Magnetic resonance imaging, abdomen. Axial slice 31/72. 1st–99th percentile window. 576x468 px. Prisma scanner
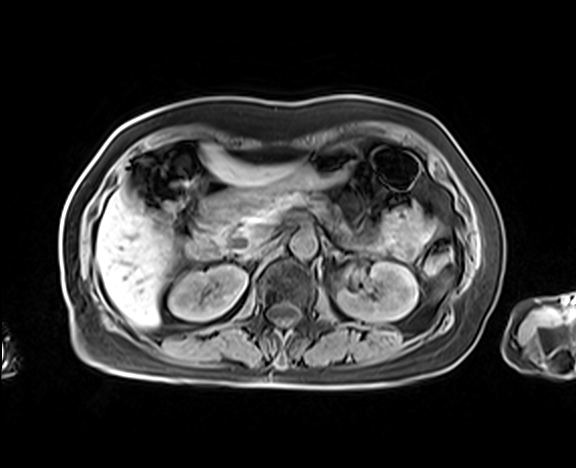
{"organs":{"right kidney":[168,265,247,320],"pancreas":[229,189,349,237],"inferior vena cava":[244,240,275,257],"left kidney":[336,262,418,321],"duodenum":[187,196,235,260],"aorta":[289,231,317,258],"liver":[96,145,296,328],"stomach":[216,143,357,212]}}